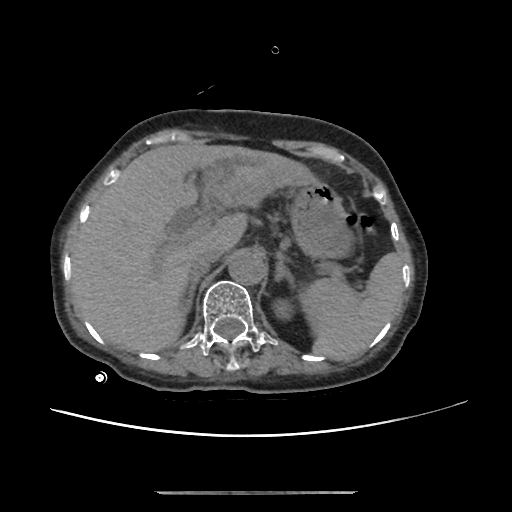 CT abdomen; axial view
{"organs":{"spleen":[303,252,402,360],"left kidney":[275,302,292,316],"liver":[71,143,317,351],"stomach":[290,181,352,259],"aorta":[228,252,266,285],"inferior vena cava":[190,248,221,275],"right adrenal gland":[184,275,201,314],"left adrenal gland":[275,253,295,286]}}